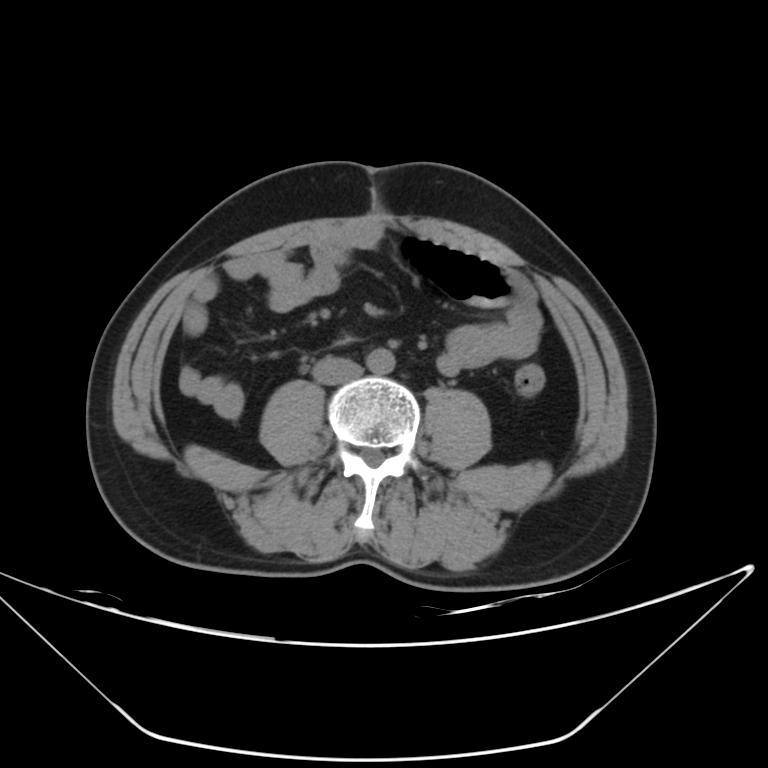

Abdominal CT · axial plane, index 46 · 50-year-old male patient
Boxes: x1:y1:x2:y2 in pixels.
aorta: 366:348:395:374
inferior vena cava: 313:356:362:384